CT abdomen — axial view — 15 organs annotated in this scan (counted over the whole 3D scan, not this slice; an organ is boxed only where this slice passes through it)
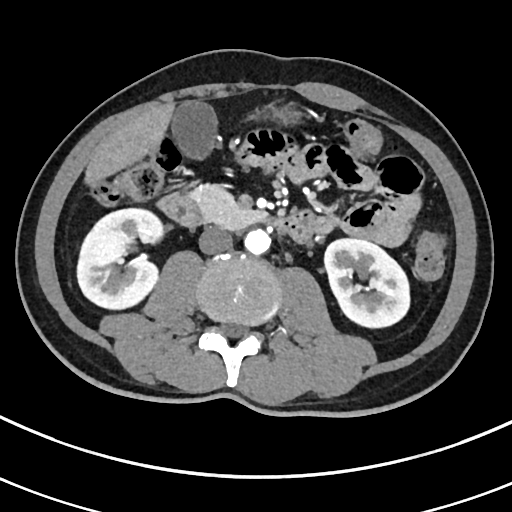

One row per box, in pixels: columns x1 and y1 give the top-left corner, x2 and y2 the bottom-right.
| organ | x1 | y1 | x2 | y2 |
|---|---|---|---|---|
| right kidney | 77 | 208 | 163 | 309 |
| left kidney | 324 | 238 | 409 | 327 |
| gall bladder | 171 | 100 | 217 | 159 |
| liver | 85 | 103 | 174 | 184 |
| stomach | 246 | 101 | 306 | 127 |
| aorta | 244 | 229 | 270 | 254 |
| inferior vena cava | 198 | 227 | 232 | 254 |
| pancreas | 189 | 184 | 266 | 229 |
| duodenum | 157 | 193 | 315 | 242 |